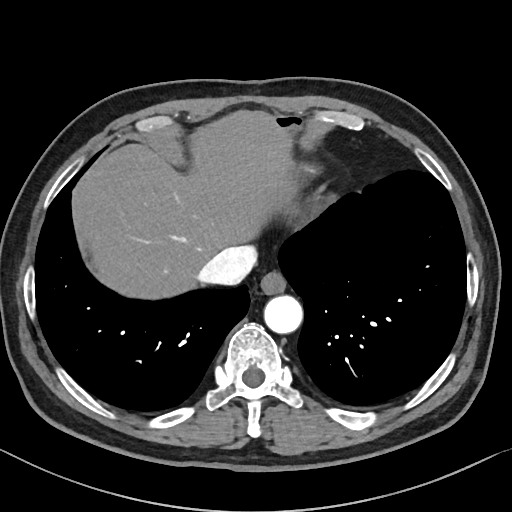

CT abdomen · Axial slice 195/245
Bounding boxes as [x1, y1, x2, y2] in pixel coordinates. 4 labeled organs on this slice — liver at [79, 109, 304, 299]; esophagus at [260, 270, 286, 293]; inferior vena cava at [196, 246, 256, 285]; aorta at [263, 295, 302, 333].